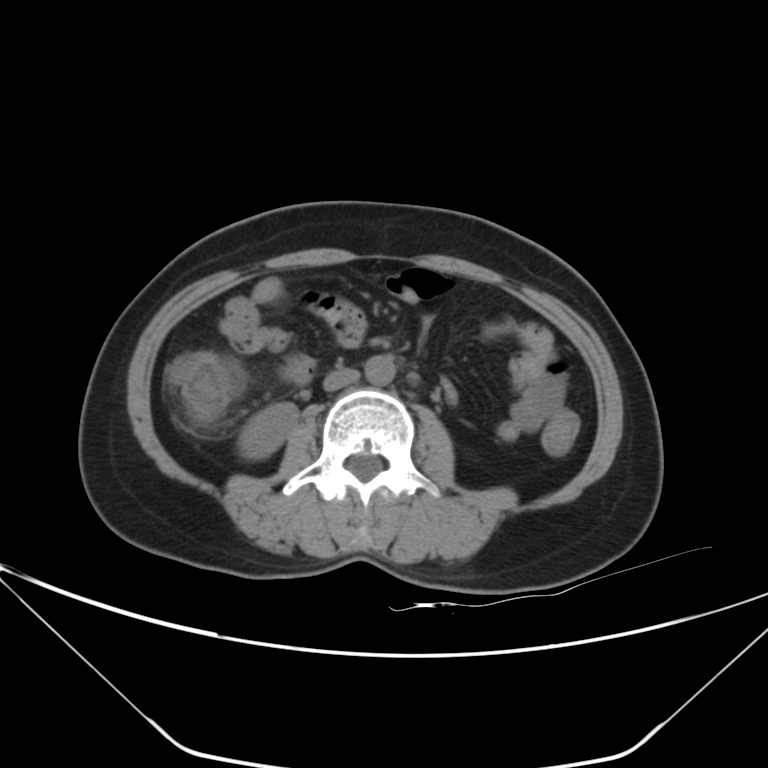 CT abdomen. axial view. soft-tissue window (W 400 / L 40). 768x768 px
<organs><organ name="right kidney" x1="239" y1="403" x2="298" y2="459"/><organ name="aorta" x1="365" y1="356" x2="396" y2="385"/><organ name="inferior vena cava" x1="323" y1="368" x2="359" y2="391"/></organs>